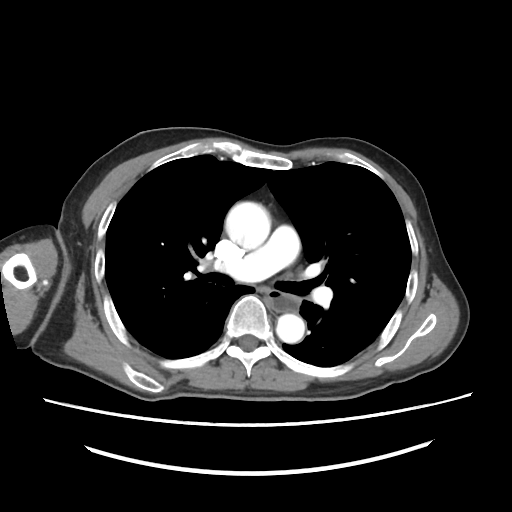

Chest-level CT slice, above the liver and spleen — Axial slice 109/132 — 512x512 px — acquired on Aquilion ONE — 14 organs annotated in this scan (a whole-scan count: organs this slice does not pass through have no box)
At this level of the chest no structure but the esophagus and the aorta has a label in this dataset, and those two are boxed only where they are labeled.
Boxes: x1 y1 x2 y2 (pixel coords, space-separated).
Organ bounding boxes:
- esophagus: 265 291 300 311
- aorta: 227 201 269 248
- aorta: 276 314 304 343